Computed tomography, abdomen — axial view — soft-tissue window
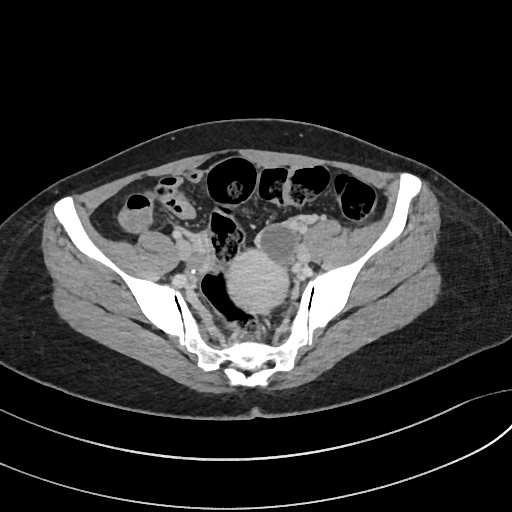 Each box given as x1,y1,x2,y2. The annotated organs in this slice are: prostate/uterus at x1=229, y1=248, x2=291, y2=314.